Computed tomography, abdomen. axial view. 512x512 px. scan has 15 labeled organs (a whole-scan count: organs this slice does not pass through have no box)
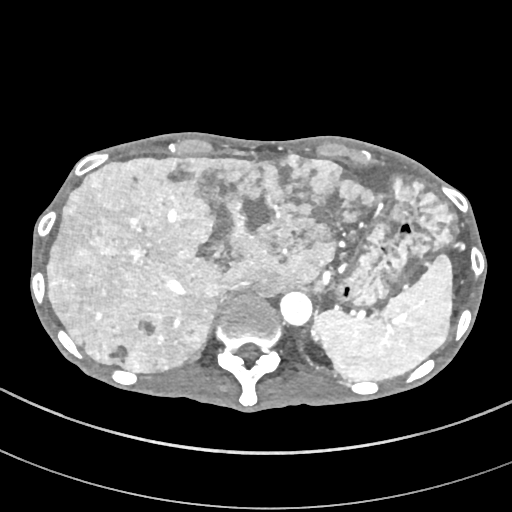 One row per box, in pixels: columns x1 and y1 give the top-left corner, x2 and y2 the bottom-right.
| organ | x1 | y1 | x2 | y2 |
|---|---|---|---|---|
| spleen | 314 | 254 | 452 | 381 |
| liver | 47 | 156 | 379 | 372 |
| stomach | 336 | 173 | 458 | 306 |
| aorta | 280 | 291 | 312 | 325 |
| inferior vena cava | 217 | 281 | 250 | 304 |